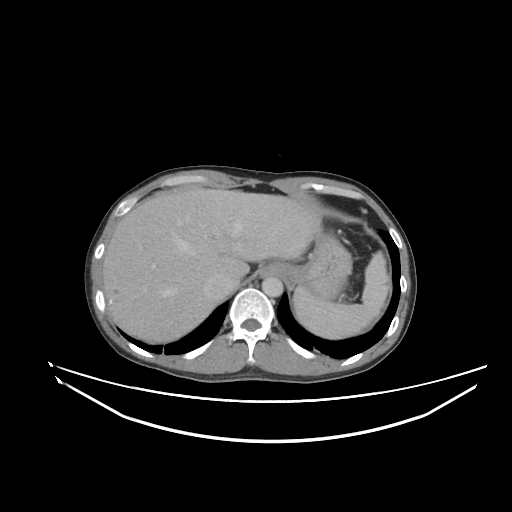

Abdominal CT · axial plane, index 80 · soft-tissue window · 47-year-old male patient · 15 organs annotated in this scan (a whole-scan count: organs this slice does not pass through have no box)
One row per box, in pixels: columns x1 and y1 give the top-left corner, x2 and y2 the bottom-right.
| organ | x1 | y1 | x2 | y2 |
|---|---|---|---|---|
| spleen | 293 | 251 | 389 | 339 |
| liver | 102 | 188 | 321 | 343 |
| stomach | 262 | 232 | 351 | 301 |
| aorta | 262 | 276 | 283 | 297 |
| inferior vena cava | 203 | 274 | 237 | 296 |